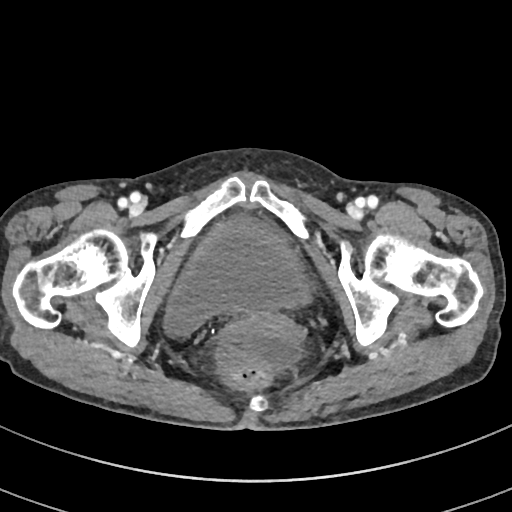

Abdominal CT. Axial slice 14/198. soft-tissue window (W 400 / L 40). 512x512 px. SOMATOM Force scanner
Boxes: x1 y1 x2 y2 (pixel coords, space-separated).
Organ bounding boxes:
- bladder: 165 216 310 335
- prostate/uterus: 241 312 295 338